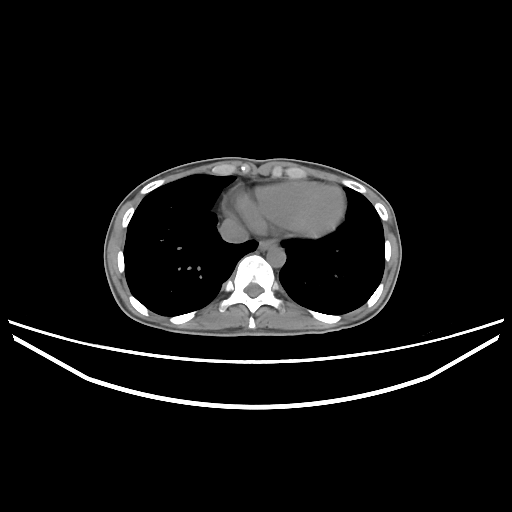 CT of the abdomen reaching into the lower chest, slice just above the liver and spleen. axial plane, index 83. 512x512 px. scan has 15 labeled organs (counted over the whole 3D scan, not this slice; an organ is boxed only where this slice passes through it)
The heart and lungs are never labeled in this dataset, so they have no box on this slice.
Coordinates as <box>x1,y1,x2,y2</box> in pixels.
esophagus: <box>258,239,276,250</box>
aorta: <box>266,246,285,266</box>
inferior vena cava: <box>220,218,248,242</box>